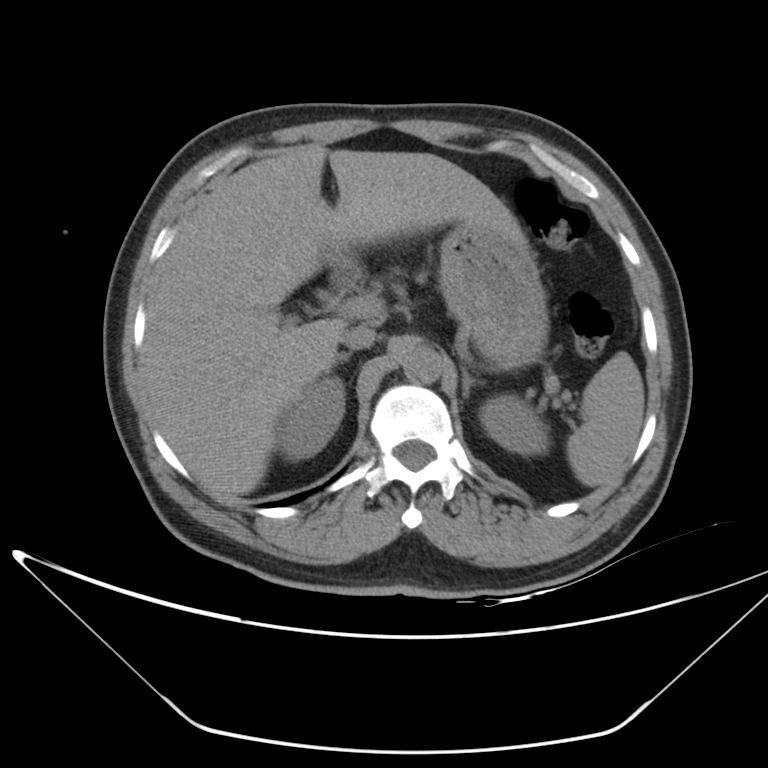

CT, abdomen/pelvis · Axial slice 65/84 · 42-year-old male patient
Organ boxes in pixel coordinates; each row gives the top-left (x1, y1) and bottom-right (x2, y2) corners.
| organ | x1 | y1 | x2 | y2 |
|---|---|---|---|---|
| spleen | 566 | 351 | 644 | 487 |
| right kidney | 277 | 377 | 344 | 462 |
| left kidney | 479 | 394 | 551 | 454 |
| liver | 141 | 145 | 522 | 497 |
| stomach | 329 | 222 | 549 | 370 |
| aorta | 402 | 345 | 442 | 383 |
| inferior vena cava | 340 | 326 | 376 | 349 |
| right adrenal gland | 334 | 351 | 352 | 365 |
| left adrenal gland | 461 | 363 | 482 | 398 |